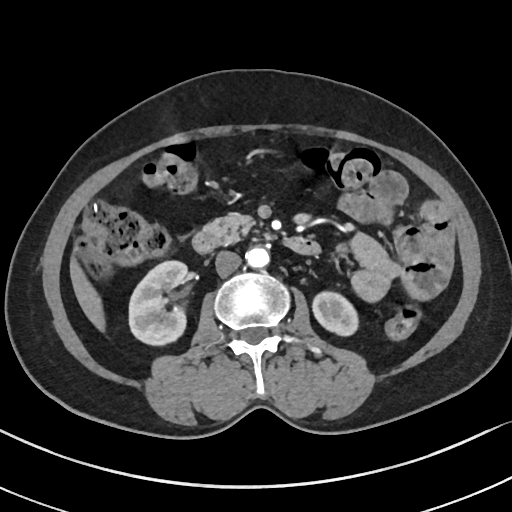

Abdominal CT — axial view — 512x512 px — SOMATOM Force scanner
Boxes are (x1, y1, x2, y2) in pixels. The annotated organs in this slice are: right kidney at (129, 261, 187, 346), left kidney at (312, 290, 360, 337), liver at (70, 256, 104, 331), aorta at (245, 247, 269, 269), inferior vena cava at (215, 251, 241, 276), pancreas at (203, 211, 254, 244), duodenum at (192, 230, 320, 255).